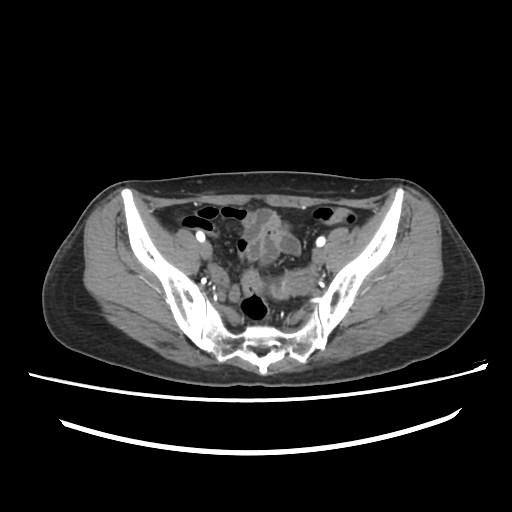 Abdominal CT. axial view. soft-tissue window. 45-year-old female patient
Box edges are left/top/right/bottom in pixels. 1 labeled organ on this slice — prostate/uterus at left=271, top=285, right=286, bottom=299.